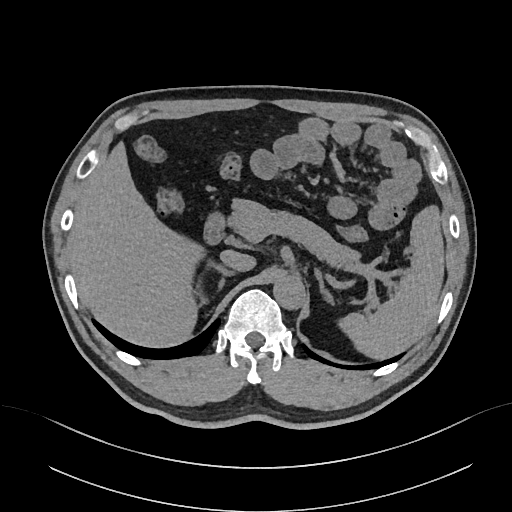 CT abdomen — axial view
Boxes are (x1, y1, x2, y2) in pixels.
spleen: (341, 206, 444, 359)
liver: (68, 142, 197, 347)
aorta: (272, 276, 304, 308)
inferior vena cava: (220, 249, 256, 270)
pancreas: (226, 197, 362, 260)
right adrenal gland: (193, 266, 235, 308)
left adrenal gland: (314, 267, 333, 304)
duodenum: (202, 215, 226, 245)